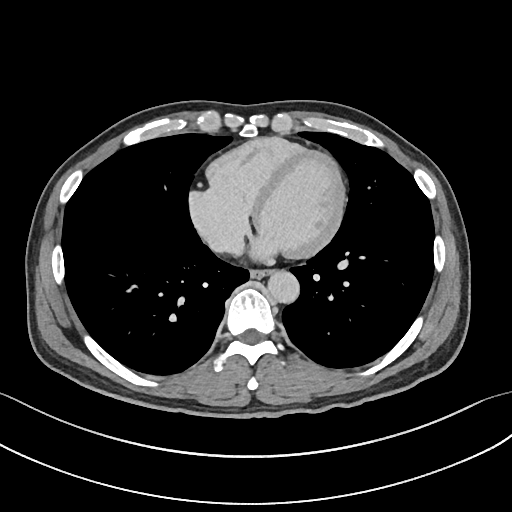 CT of the abdomen reaching into the lower chest, slice just above the liver and spleen; axial plane, index 229; soft-tissue window; 512x512 px
The heart and lungs are never labeled in this dataset, so they have no box on this slice.
<organs><organ name="aorta" x1="267" y1="270" x2="298" y2="302"/><organ name="esophagus" x1="250" y1="268" x2="273" y2="278"/><organ name="inferior vena cava" x1="209" y1="234" x2="244" y2="256"/></organs>